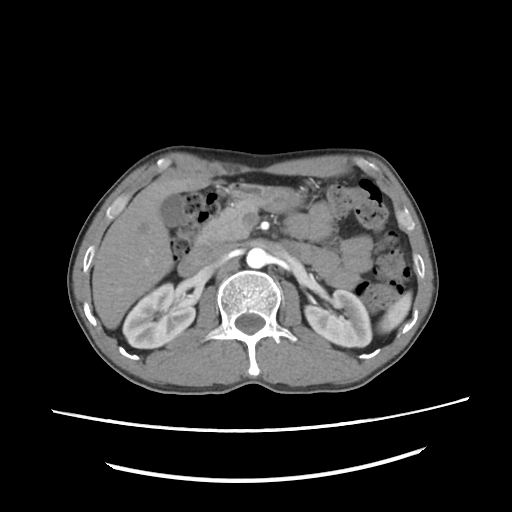
CT, abdomen/pelvis — axial view — soft-tissue window
{"organs":{"spleen":[379,288,413,331],"right kidney":[122,282,194,348],"left kidney":[305,290,371,346],"gall bladder":[161,194,186,228],"liver":[92,177,213,329],"stomach":[230,182,300,211],"aorta":[245,248,267,268],"inferior vena cava":[205,242,234,268],"pancreas":[194,199,258,247],"duodenum":[177,248,204,276]}}